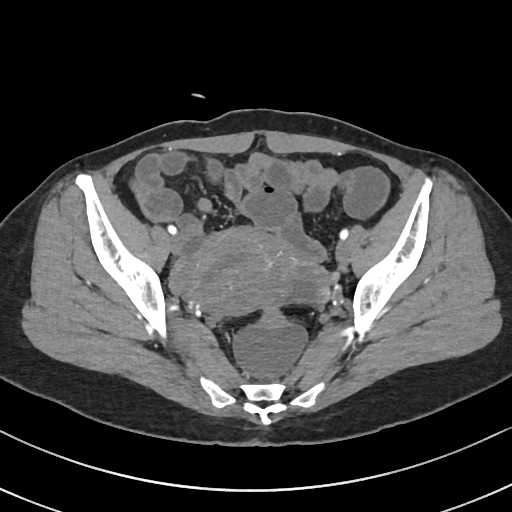
Computed tomography, abdomen. axial view
Boxes: x1 y1 x2 y2 (pixel coords, space-separated).
prostate/uterus: 192 227 326 313